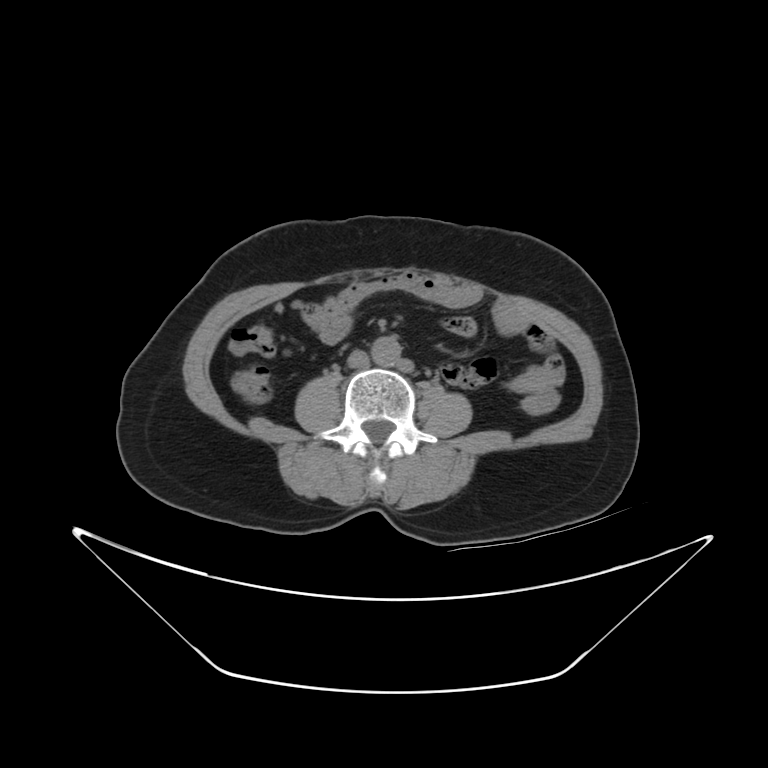

Computed tomography, abdomen. axial plane, index 44
Organ boxes in pixel coordinates; each row gives the top-left (x1, y1) and bottom-right (x2, y2) corners.
| organ | x1 | y1 | x2 | y2 |
|---|---|---|---|---|
| inferior vena cava | 348 | 350 | 367 | 368 |
| aorta | 369 | 337 | 399 | 366 |